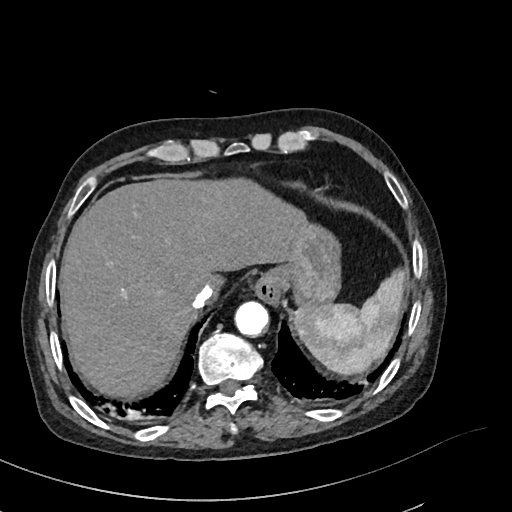 CT abdomen; Axial slice 201/235; abdomen soft-tissue window; 15 organs annotated in this scan (a whole-scan count: organs this slice does not pass through have no box)
Boxes: x1 y1 x2 y2 (pixel coords, space-separated). The annotated organs in this slice are: spleen at 294 271 405 374, esophagus at 253 273 281 304, liver at 60 178 307 395, stomach at 272 224 339 304, aorta at 234 301 269 336, inferior vena cava at 192 283 214 307.